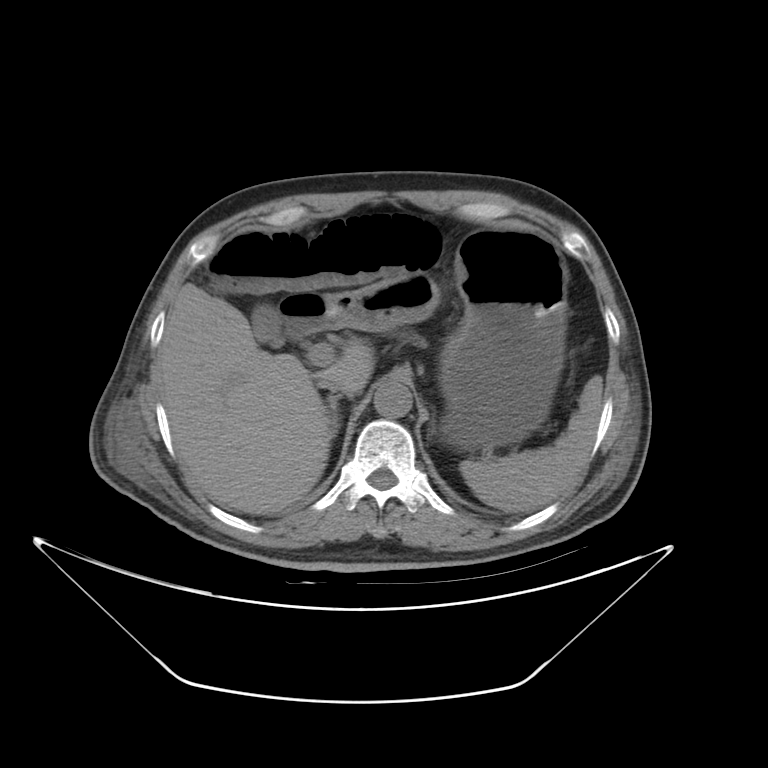
Computed tomography, abdomen — axial view — soft-tissue window — 768x768 px — 66-year-old male patient
Boxes: x1 y1 x2 y2 (pixel coords, space-separated).
spleen: 460 377 602 514
gall bladder: 253 303 279 341
liver: 161 283 375 514
stomach: 325 226 567 450
aorta: 374 381 411 417
inferior vena cava: 313 374 347 393
right adrenal gland: 327 392 345 439
left adrenal gland: 432 421 434 424
duodenum: 278 295 331 338